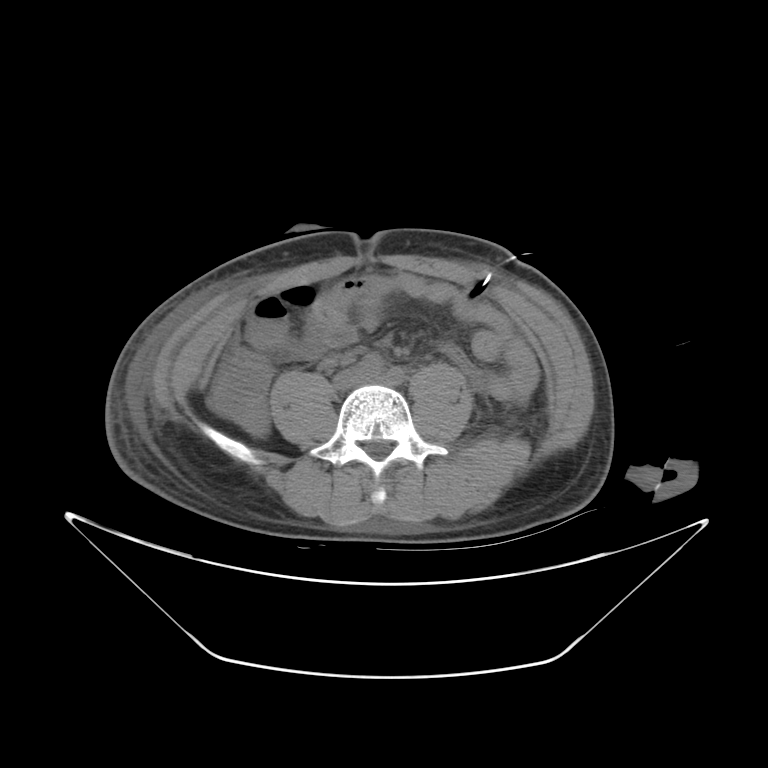
CT, abdomen/pelvis · axial view · W/L 400/40 HU · 15 organs annotated in this scan (that count is for the whole scan; organs this slice misses have no box)
Organ boxes in pixel coordinates; each row gives the top-left (x1, y1) and bottom-right (x2, y2) corners.
| organ | x1 | y1 | x2 | y2 |
|---|---|---|---|---|
| inferior vena cava | 335 | 370 | 365 | 388 |